CT, abdomen/pelvis · axial view
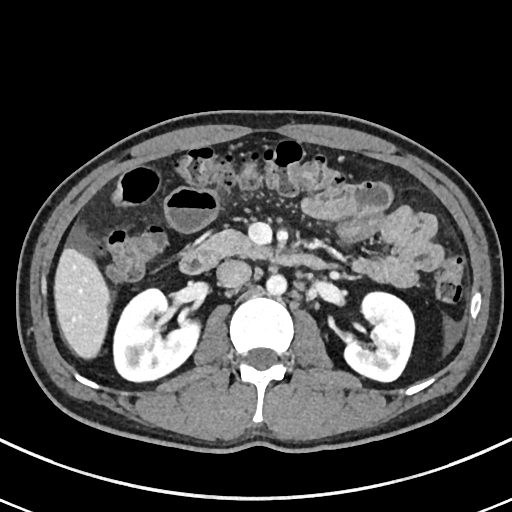
<organs><organ name="pancreas" x1="198" y1="230" x2="268" y2="258"/><organ name="aorta" x1="266" y1="274" x2="286" y2="296"/><organ name="right kidney" x1="114" y1="290" x2="201" y2="381"/><organ name="duodenum" x1="178" y1="250" x2="332" y2="274"/><organ name="inferior vena cava" x1="216" y1="260" x2="251" y2="288"/><organ name="left kidney" x1="342" y1="291" x2="414" y2="382"/><organ name="liver" x1="53" y1="246" x2="110" y2="358"/></organs>